Computed tomography, abdomen. axial view. abdomen soft-tissue window
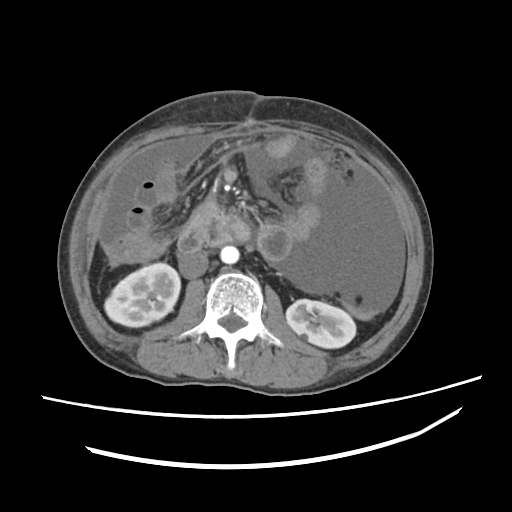

Coordinates as <box>x1,y1,x2,y2</box> in pixels. The annotated organs in this slice are: right kidney at <box>103,263,181,327</box>, left kidney at <box>286,299,356,349</box>, aorta at <box>220,246,238,264</box>, inferior vena cava at <box>178,252,208,277</box>, duodenum at <box>178,204,251,252</box>.